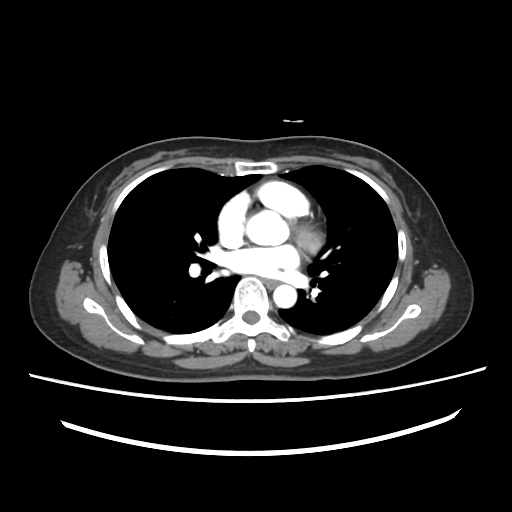

CT of the abdomen extending into the chest, slice through the chest. axial view. soft-tissue window. 512x512 px
At this level of the chest this dataset labels only the esophagus and the aorta, and each is boxed only where it is labeled; the heart and lungs are never labeled.
Organ boxes in pixel coordinates; each row gives the top-left (x1, y1) and bottom-right (x2, y2) corners.
| organ | x1 | y1 | x2 | y2 |
|---|---|---|---|---|
| esophagus | 266 | 281 | 277 | 286 |
| aorta | 245 | 209 | 289 | 247 |
| aorta | 273 | 284 | 296 | 308 |